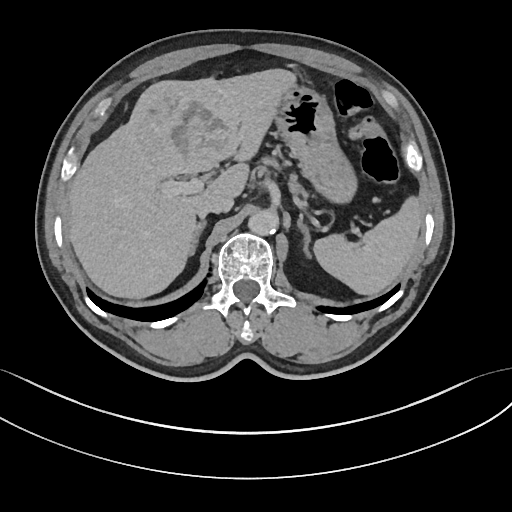 CT abdomen · Axial slice 169/224 · soft-tissue window · 512x512 px
Boxes: x1:y1:x2:y2 in pixels. 8 labeled organs on this slice — spleen at 314:196:421:294; liver at 67:68:296:298; stomach at 275:86:356:202; aorta at 248:209:278:235; inferior vena cava at 198:193:233:217; pancreas at 261:156:307:197; right adrenal gland at 192:220:206:254; left adrenal gland at 297:214:310:257.